Computed tomography, abdomen — axial view — soft-tissue window — 768x768 px
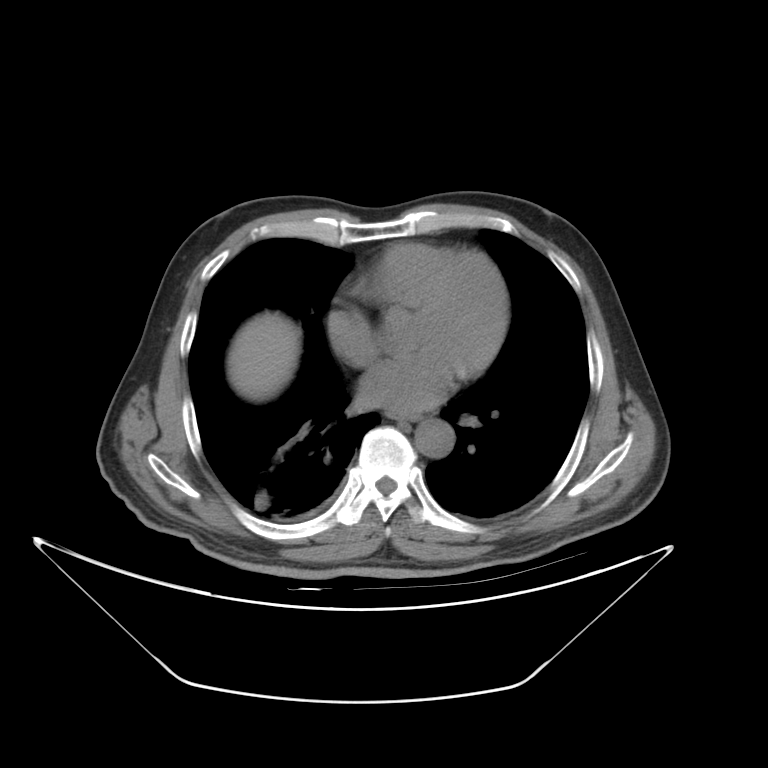 Boxes are (x1, y1, x2, y2) in pixels.
liver: (227, 310, 300, 401)
aorta: (412, 421, 454, 458)